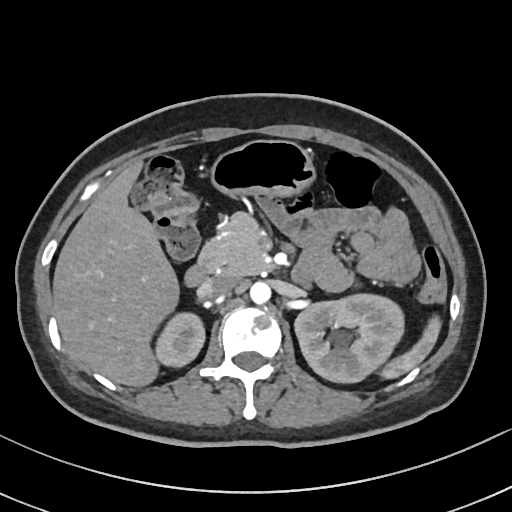

Computed tomography, abdomen — Axial slice 135/191 — abdomen soft-tissue window — SOMATOM Force scanner
Boxes are (x1, y1, x2, y2) in pixels.
Organ bounding boxes:
- aorta: (249, 281, 270, 304)
- right kidney: (155, 312, 204, 366)
- spleen: (381, 316, 441, 378)
- stomach: (211, 140, 315, 197)
- liver: (53, 161, 178, 386)
- pancreas: (198, 212, 268, 275)
- duodenum: (184, 262, 211, 286)
- left kidney: (294, 294, 404, 382)
- inferior vena cava: (197, 274, 239, 297)